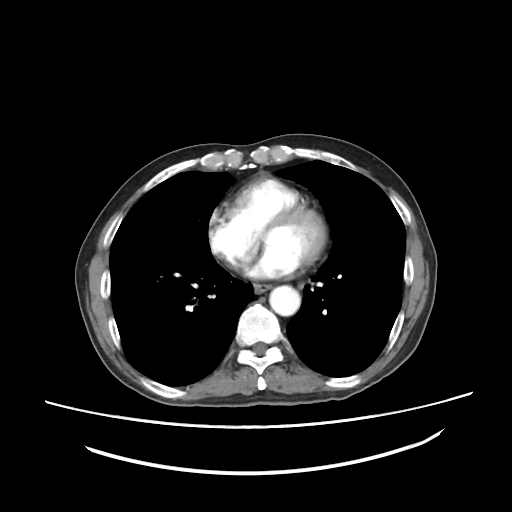 Chest-level slice from an abdominal CT that extends up into the chest; Axial slice 94/135; 68-year-old male patient; scan has 15 labeled organs (that count is for the whole scan; organs this slice misses have no box)
At this level of the chest this dataset labels only the esophagus and the aorta, and each is boxed only where it is labeled; the heart and lungs are never labeled.
Each box given as x1,y1,x2,y2.
esophagus: x1=254, y1=284, x2=269, y2=293
aorta: x1=269, y1=285, x2=300, y2=315